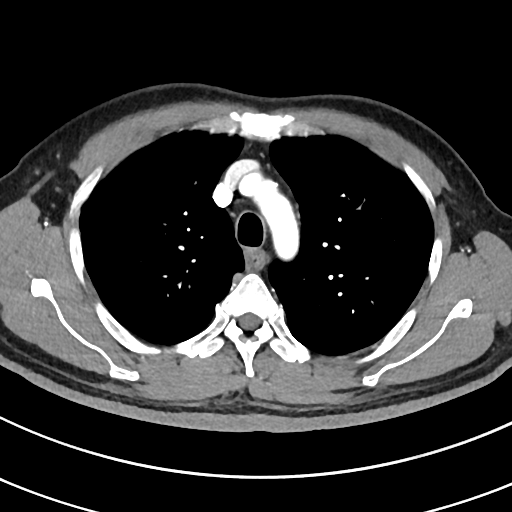 Chest-level CT slice, above the liver and spleen. Axial slice 264/302. 512x512 px. 15 organs annotated in this scan (counted over the whole 3D scan, not this slice; an organ is boxed only where this slice passes through it)
On a slice this high in the chest, this dataset labels only the esophagus and the aorta, and each is boxed only where it is labeled; the heart, lungs and other chest structures are not labeled.
Bounding boxes in pixels, one row per box: x1, y1 is the top-left corner and x2, y2 the bottom-right.
| organ | x1 | y1 | x2 | y2 |
|---|---|---|---|---|
| esophagus | 246 | 251 | 265 | 271 |
| aorta | 244 | 174 | 299 | 260 |